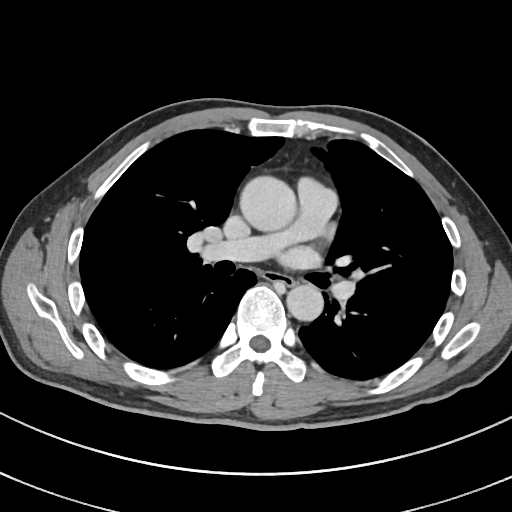 Abdominal CT reaching into the chest; this slice is in the chest · axial view · soft-tissue window, W/L 400/40 · acquired on SOMATOM Force
At this level of the chest this dataset labels only the esophagus and the aorta, and each is boxed only where it is labeled; the heart and lungs are never labeled.
<organs><organ name="esophagus" x1="262" y1="271" x2="294" y2="286"/><organ name="aorta" x1="239" y1="174" x2="295" y2="230"/><organ name="aorta" x1="286" y1="284" x2="323" y2="321"/></organs>